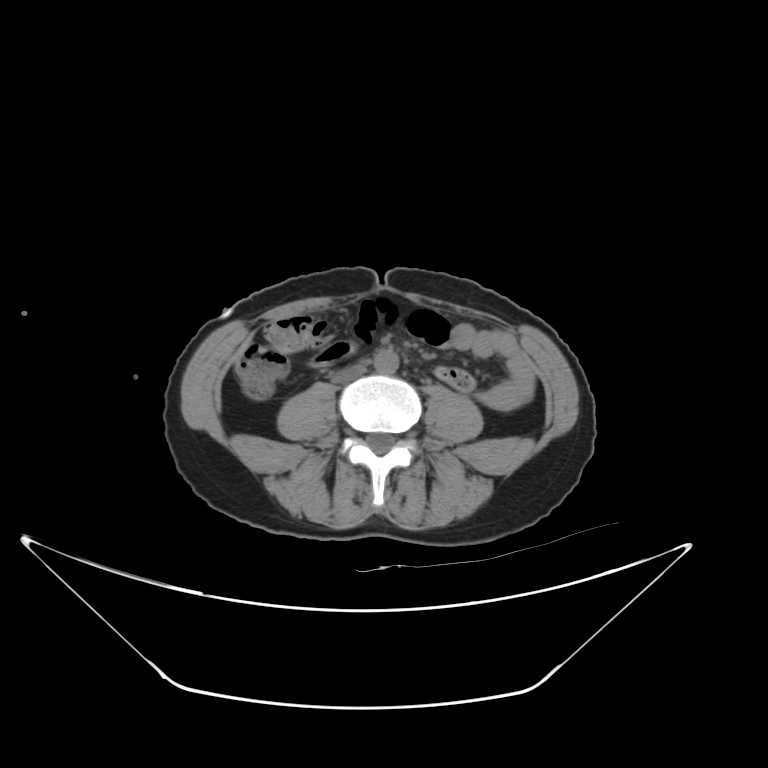 CT, abdomen/pelvis; axial view; soft-tissue window; 768x768 px; 43-year-old female patient
{"organs":{"aorta":[374,349,398,374],"inferior vena cava":[334,365,365,383]}}